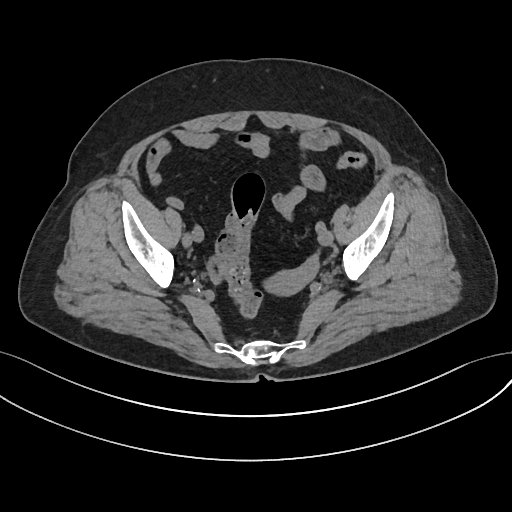

CT abdomen. axial plane, index 46. 512x512 px
Coordinates as <box>x1,y1,x2,y2</box> in pixels.
prostate/uterus: <box>264,270,308,295</box>